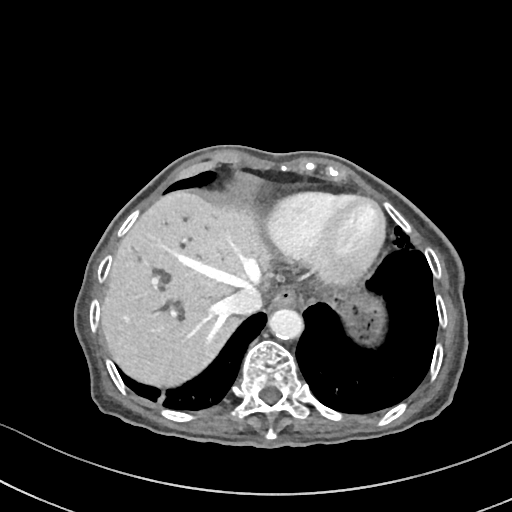

CT abdomen · axial view · soft-tissue window (W 400 / L 40) · 512x512 px · scan has 15 labeled organs (counted over the whole 3D scan, not this slice; an organ is boxed only where this slice passes through it)
Boxes: x1:y1:x2:y2 in pixels. The annotated organs in this slice are: esophagus at 273:285:301:306, liver at 100:190:274:388, stomach at 331:288:386:343, aorta at 268:307:301:339, inferior vena cava at 223:288:261:315.